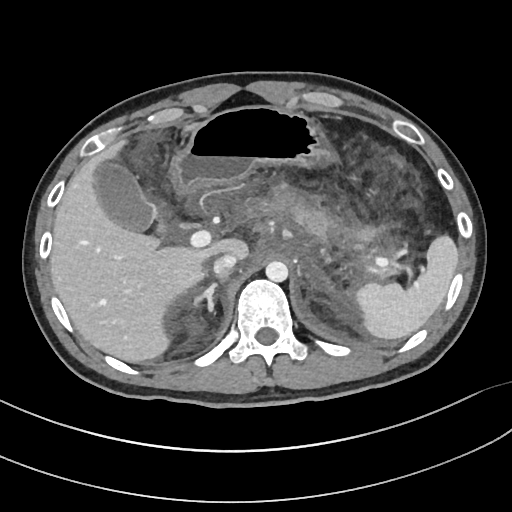

Abdominal CT — axial view — abdomen soft-tissue window — 15 organs annotated in this scan (a whole-scan count: organs this slice does not pass through have no box)
{"organs":{"spleen":[354,233,458,339],"gall bladder":[91,159,167,233],"liver":[50,121,251,363],"stomach":[171,106,333,192],"aorta":[265,261,288,282],"inferior vena cava":[213,253,237,275],"pancreas":[244,191,378,242],"right adrenal gland":[193,278,219,314]}}